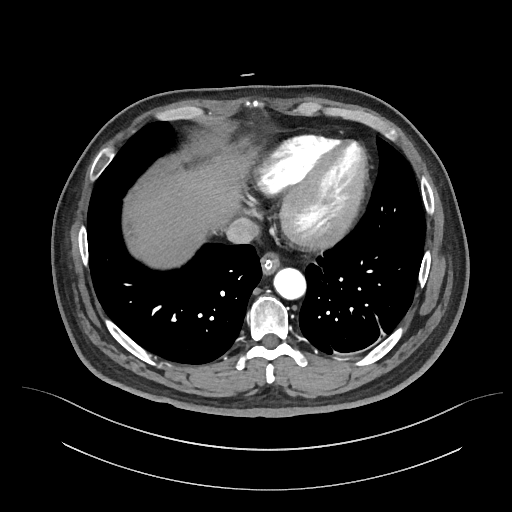

CT, abdomen/pelvis. axial view. scan has 15 labeled organs (counted over the whole 3D scan, not this slice; an organ is boxed only where this slice passes through it)
Bounding boxes as [x1, y1, x2, y2] in pixel coordinates.
liver: [124, 154, 249, 268]
esophagus: [260, 254, 279, 276]
aorta: [274, 269, 306, 300]
inferior vena cava: [227, 216, 259, 244]